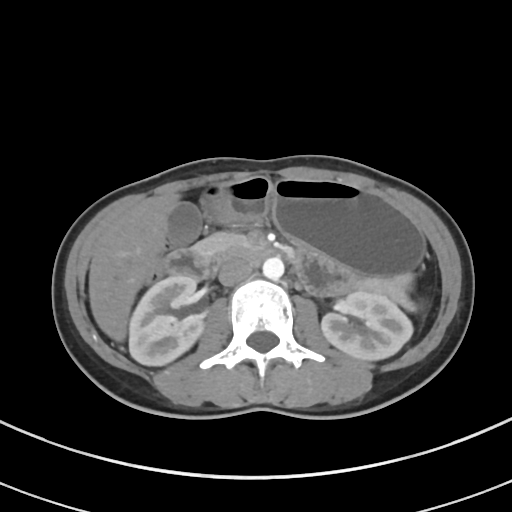

Computed tomography, abdomen — Axial slice 52/121 — 15 organs annotated in this scan (counted over the whole 3D scan, not this slice; an organ is boxed only where this slice passes through it)
{"organs":{"right kidney":[128,276,203,365],"left kidney":[321,289,412,360],"gall bladder":[168,202,201,245],"liver":[88,193,179,341],"stomach":[203,176,424,276],"aorta":[262,257,284,280],"inferior vena cava":[218,258,253,285],"pancreas":[193,232,411,303],"duodenum":[163,245,276,281]}}